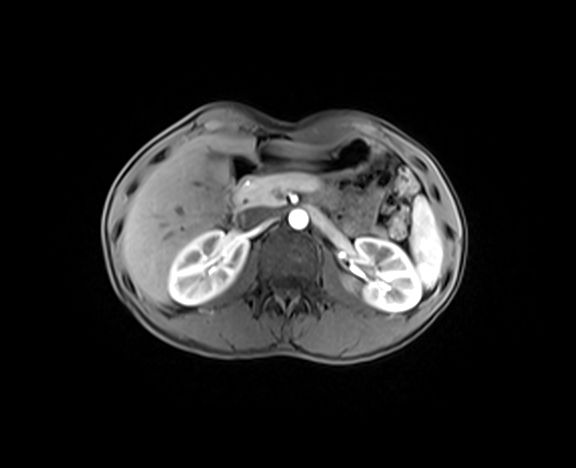
Abdominal MR · axial view · Prisma scanner
Each box given as x1,y1,x2,y2.
spleen: x1=410, y1=196, x2=442, y2=287
right kidney: x1=168, y1=230, x2=248, y2=304
left kidney: x1=346, y1=238, x2=421, y2=311
gall bladder: x1=208, y1=152, x2=227, y2=184
liver: x1=121, y1=135, x2=315, y2=303
stomach: x1=255, y1=137, x2=374, y2=176
aorta: x1=288, y1=210, x2=308, y2=229
inferior vena cava: x1=237, y1=208, x2=274, y2=229
pancreas: x1=237, y1=172, x2=324, y2=206
duodenum: x1=223, y1=153, x2=260, y2=224